CT, abdomen/pelvis — axial view — soft-tissue window (W 400 / L 40)
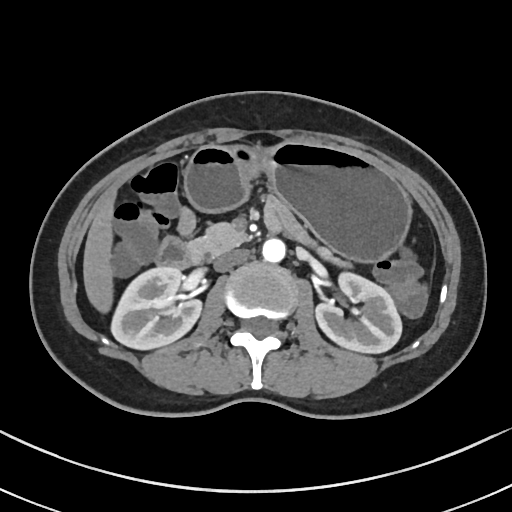
One row per box, in pixels: columns x1 and y1 give the top-left corner, x2 and y2 the bottom-right.
| organ | x1 | y1 | x2 | y2 |
|---|---|---|---|---|
| right kidney | 112 | 265 | 200 | 348 |
| left kidney | 316 | 270 | 402 | 352 |
| liver | 83 | 195 | 113 | 309 |
| stomach | 184 | 141 | 409 | 259 |
| aorta | 262 | 238 | 285 | 261 |
| inferior vena cava | 214 | 249 | 248 | 271 |
| pancreas | 192 | 224 | 351 | 268 |
| duodenum | 153 | 223 | 281 | 267 |